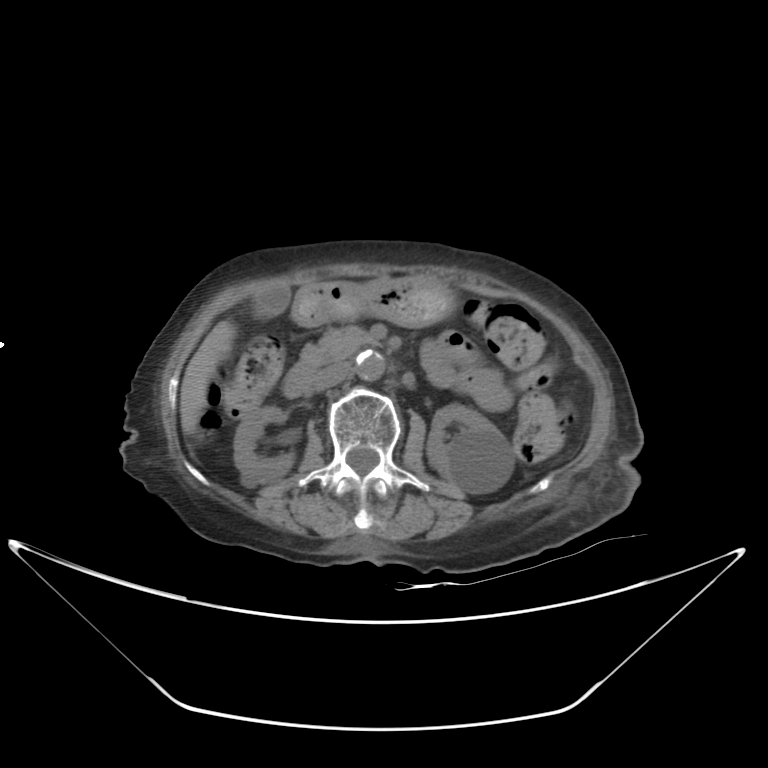
CT, abdomen/pelvis · Axial slice 53/79 · 15 organs annotated in this scan (counted over the whole 3D scan, not this slice; an organ is boxed only where this slice passes through it)
One row per box, in pixels: columns x1 and y1 give the top-left corner, x2 and y2 the bottom-right.
| organ | x1 | y1 | x2 | y2 |
|---|---|---|---|---|
| right kidney | 233 | 406 | 293 | 485 |
| left kidney | 427 | 403 | 514 | 494 |
| gall bladder | 254 | 283 | 290 | 317 |
| liver | 180 | 320 | 235 | 434 |
| stomach | 291 | 276 | 453 | 326 |
| aorta | 355 | 351 | 384 | 380 |
| inferior vena cava | 314 | 362 | 350 | 390 |
| pancreas | 299 | 327 | 370 | 368 |
| duodenum | 282 | 361 | 318 | 398 |